Abdominal CT reaching into the chest; this slice is in the chest; axial view; soft-tissue window, W/L 400/40; 65-year-old male patient
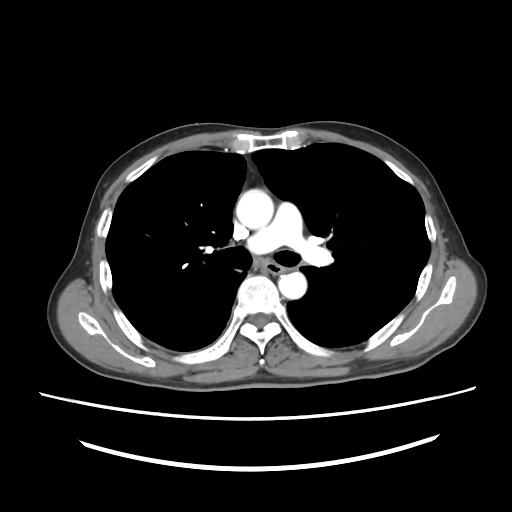

At this level of the chest this dataset labels only the esophagus and the aorta, and each is boxed only where it is labeled; the heart and lungs are never labeled.
Bounding boxes as [x1, y1, x2, y2] in pixel coordinates.
Organ bounding boxes:
- esophagus: [267, 264, 284, 273]
- aorta: [236, 189, 273, 228]
- aorta: [278, 272, 306, 298]